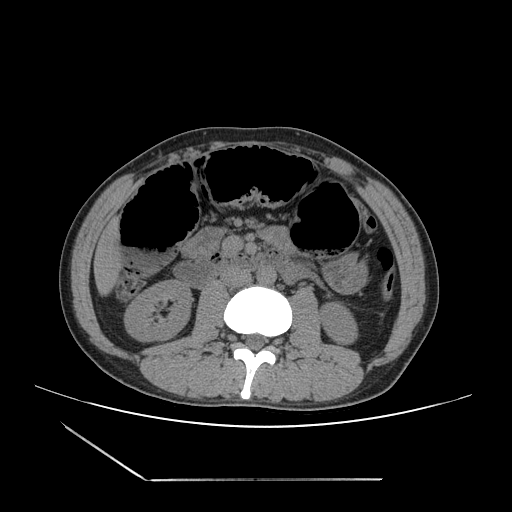
CT abdomen. axial view. abdomen soft-tissue window. 512x512 px
Each box given as x1,y1,x2,y2.
right kidney: x1=125, y1=280, x2=192, y2=340
left kidney: x1=322, y1=305, x2=355, y2=342
liver: x1=94, y1=220, x2=119, y2=292
stomach: x1=325, y1=255, x2=365, y2=292
aorta: x1=257, y1=265, x2=276, y2=285
inferior vena cava: x1=220, y1=268, x2=251, y2=287
duodenum: x1=175, y1=248, x2=304, y2=287